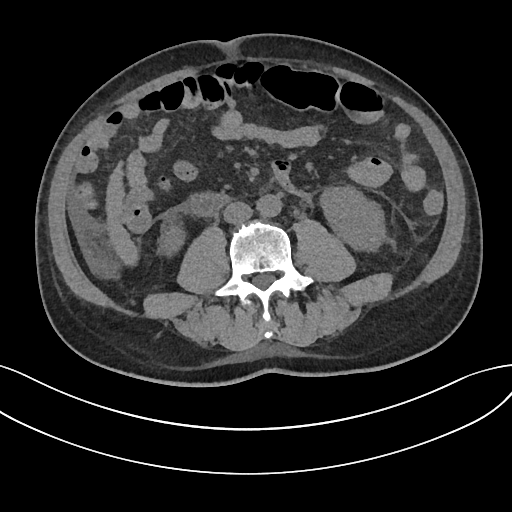

Abdominal CT · axial view · soft-tissue window · 512x512 px · acquired on SOMATOM Force
<organs><organ name="right kidney" x1="161" y1="227" x2="182" y2="251"/><organ name="left kidney" x1="321" y1="188" x2="387" y2="249"/><organ name="liver" x1="105" y1="169" x2="136" y2="262"/><organ name="aorta" x1="256" y1="194" x2="281" y2="216"/><organ name="inferior vena cava" x1="223" y1="201" x2="253" y2="223"/><organ name="duodenum" x1="191" y1="194" x2="224" y2="215"/></organs>